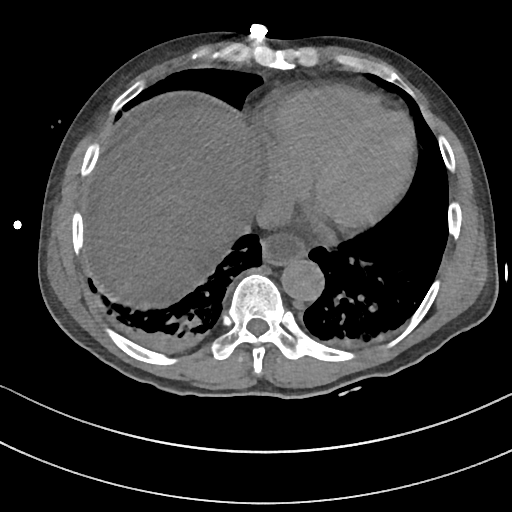 CT abdomen. axial view. abdomen soft-tissue window
Coordinates as <box>x1,y1,x2,y2</box> in pixels. Labeled organs on this slice: esophagus at <box>261,234,306,264</box>, liver at <box>97,108,259,307</box>, aorta at <box>281,258,324,301</box>, inferior vena cava at <box>254,196,291,228</box>.